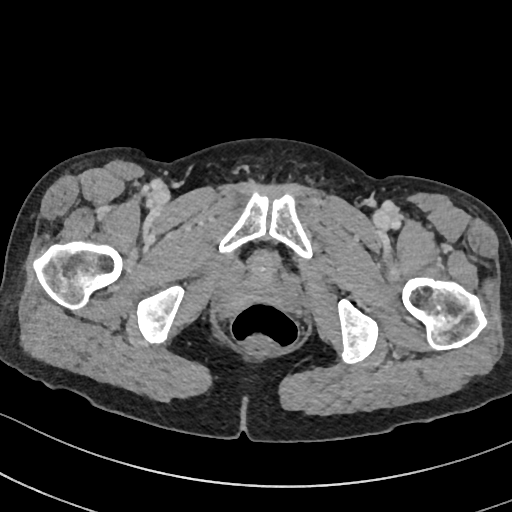

CT, abdomen/pelvis; axial view; SOMATOM Force scanner
Coordinates as <box>x1,y1,x2,y2</box> in pixels.
Organ bounding boxes:
- bladder: <box>247,251,277,277</box>